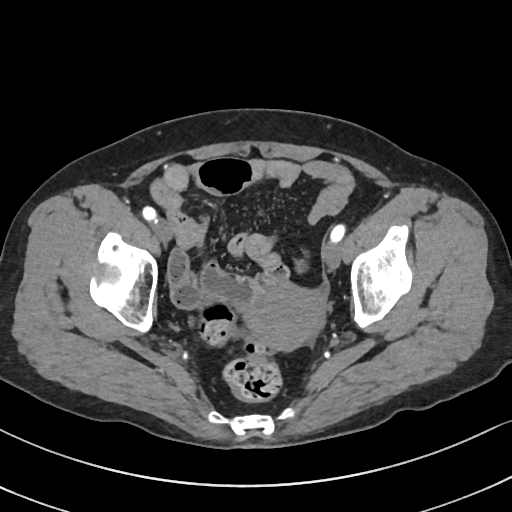 Abdominal CT · axial view · soft-tissue window · 15 organs annotated in this scan (that count is for the whole scan; organs this slice misses have no box)
Coordinates as <box>x1,y1,x2,y2</box> in pixels.
prostate/uterus: <box>245,285,323,352</box>